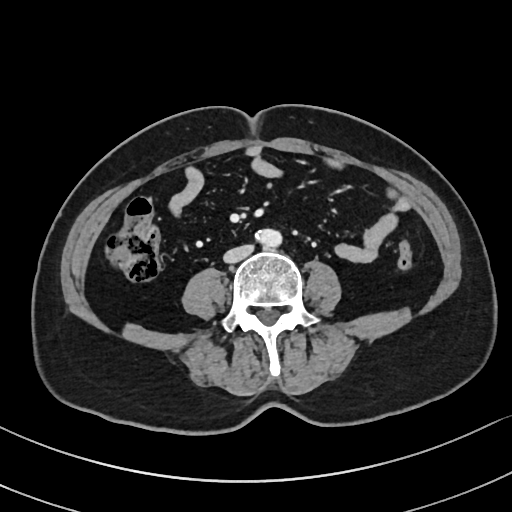 Abdominal CT; axial plane, index 106; abdomen soft-tissue window; 512x512 px
Each box given as x1,y1,x2,y2. The annotated organs in this slice are: aorta at x1=254, y1=229, x2=281, y2=247, inferior vena cava at x1=224, y1=245, x2=253, y2=263.